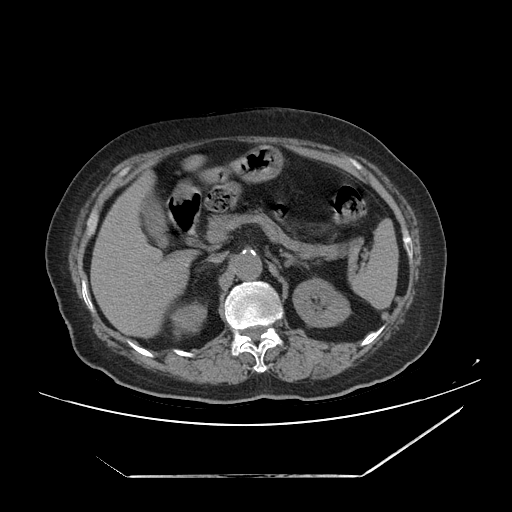 CT, abdomen/pelvis — axial view — soft-tissue window (W 400 / L 40) — SOMATOM Force scanner
Coordinates as <box>x1,y1,x2,y2</box> in pixels.
Organ bounding boxes:
- spleen: <box>350,219,398,309</box>
- right kidney: <box>175,303,204,329</box>
- left kidney: <box>294,281,348,326</box>
- gall bladder: <box>142,196,172,246</box>
- liver: <box>89,153,212,340</box>
- stomach: <box>179,144,285,192</box>
- aorta: <box>231,252,262,280</box>
- inferior vena cava: <box>207,253,225,263</box>
- pancreas: <box>205,209,363,263</box>
- right adrenal gland: <box>195,267,203,275</box>
- left adrenal gland: <box>283,253,305,269</box>
- duodenum: <box>167,189,201,241</box>